Abdominal CT · axial view · 512x512 px
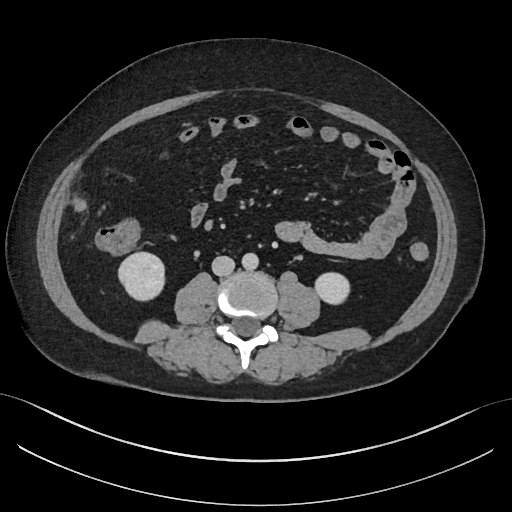

Boxes: x1 y1 x2 y2 (pixel coords, space-separated).
Organ bounding boxes:
- right kidney: 116 251 166 300
- aorta: 241 252 258 270
- left kidney: 313 271 350 304
- inferior vena cava: 211 256 234 276